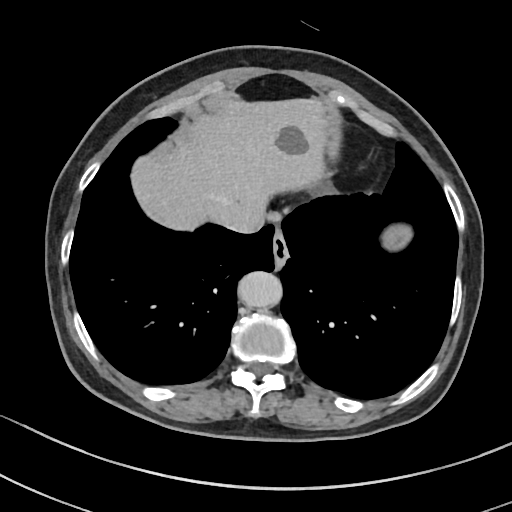
Abdominal CT · axial view · soft-tissue window (W 400 / L 40)
Coordinates as <box>x1,y1,x2,y2</box> in pixels.
Organ bounding boxes:
- liver: <box>132,97,329,230</box>
- inferior vena cava: <box>220,210,264,233</box>
- aorta: <box>236,271,280,307</box>
- stomach: <box>380,224,413,249</box>
- esophagus: <box>272,226,288,266</box>